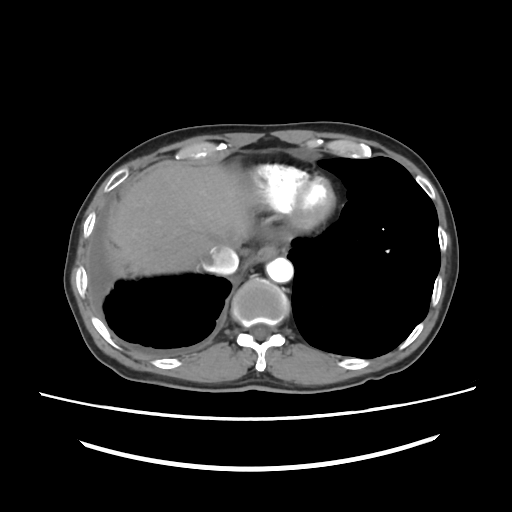

Abdominal CT — axial plane, index 80 — soft-tissue window — 512x512 px — acquired on Aquilion ONE
Bounding boxes in pixels, one row per box: x1, y1 is the top-left corner and x2, y2 the bottom-right.
| organ | x1 | y1 | x2 | y2 |
|---|---|---|---|---|
| esophagus | 254 | 245 | 280 | 262 |
| liver | 106 | 164 | 252 | 275 |
| aorta | 266 | 257 | 293 | 282 |
| inferior vena cava | 200 | 246 | 238 | 274 |